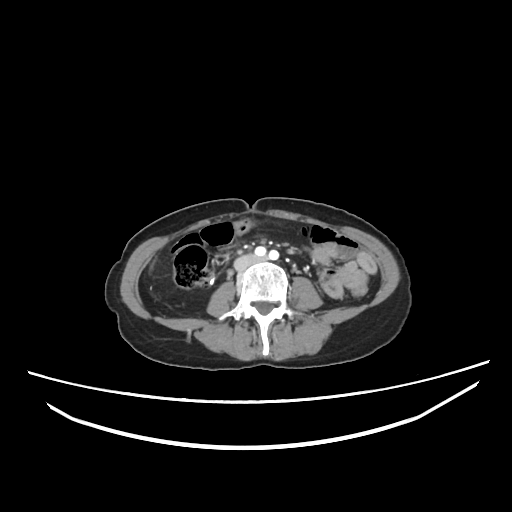

CT, abdomen/pelvis — axial view — soft-tissue window — 512x512 px — 43-year-old female patient
Boxes: x1:y1:x2:y2 in pixels.
inferior vena cava: 234:254:258:270